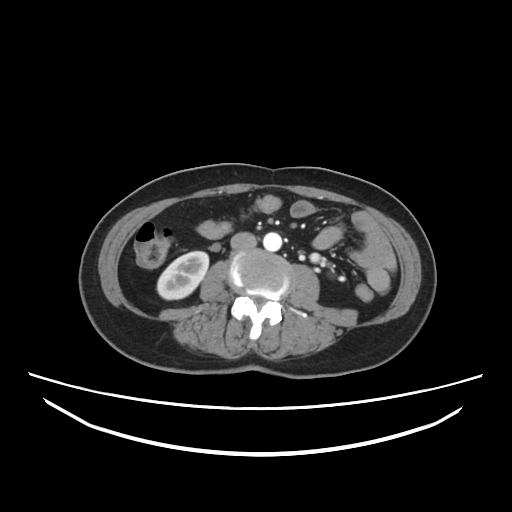

CT abdomen · axial view · 62-year-old female patient · acquired on Aquilion ONE
<organs><organ name="aorta" x1="264" y1="233" x2="282" y2="251"/><organ name="right kidney" x1="157" y1="250" x2="208" y2="300"/><organ name="inferior vena cava" x1="230" y1="231" x2="257" y2="251"/></organs>